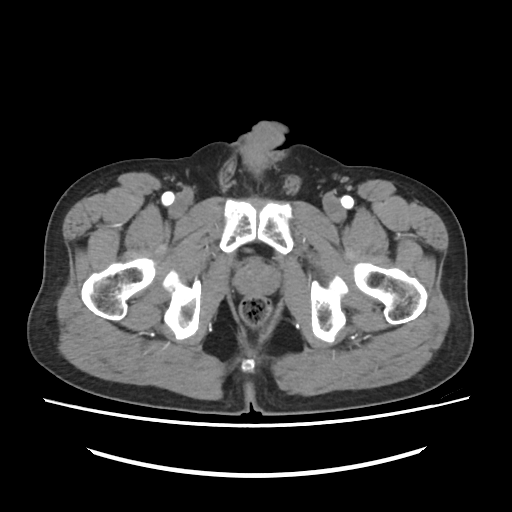
Abdominal CT. axial view. scan has 15 labeled organs (counted over the whole 3D scan, not this slice; an organ is boxed only where this slice passes through it)
Each box given as x1,y1,x2,y2.
Organ bounding boxes:
- prostate/uterus: x1=235, y1=260, x2=277, y2=296